Abdominal CT reaching into the chest; this slice is in the chest; axial plane, index 109; soft-tissue window; 512x512 px; acquired on SOMATOM Force
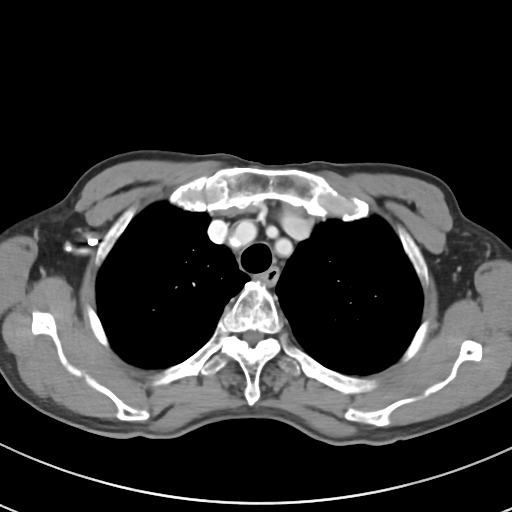
On a slice this high in the chest, this dataset labels only the esophagus and the aorta, and each is boxed only where it is labeled; the heart, lungs and other chest structures are not labeled.
One row per box, in pixels: columns x1 and y1 give the top-left corner, x2 and y2 the bottom-right.
| organ | x1 | y1 | x2 | y2 |
|---|---|---|---|---|
| esophagus | 255 | 267 | 279 | 284 |